CT abdomen — Axial slice 86/100 — abdomen soft-tissue window — 512x512 px — 71-year-old female patient
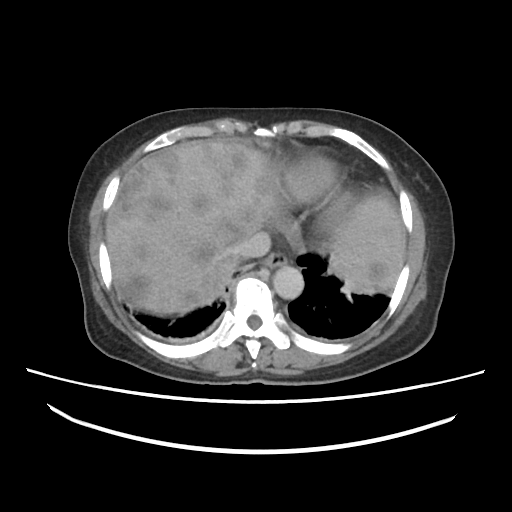
Boxes: x1:y1:x2:y2 in pixels.
Organ bounding boxes:
- spleen: 329:272:392:284
- esophagus: 260:254:286:270
- liver: 107:137:403:314
- aorta: 274:265:304:299
- inferior vena cava: 232:230:271:258